Abdominal CT; Axial slice 63/353; 512x512 px
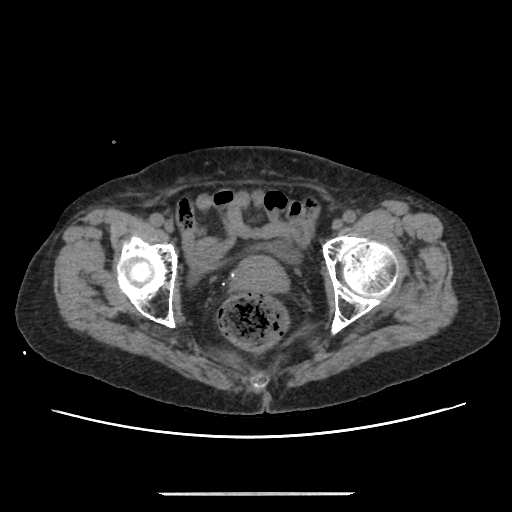

Boxes: x1:y1:x2:y2 in pixels.
Organ bounding boxes:
- bladder: 272:243:298:262
- prostate/uterus: 231:255:288:292